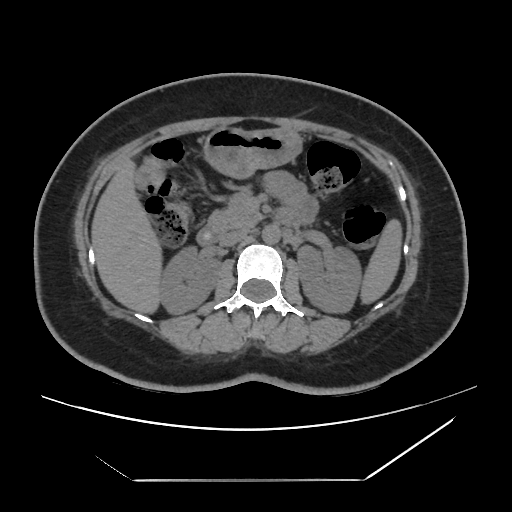 Abdominal CT; axial view; soft-tissue window
Organ boxes in pixel coordinates; each row gives the top-left (x1, y1) and bottom-right (x2, y2) corners.
| organ | x1 | y1 | x2 | y2 |
|---|---|---|---|---|
| pancreas | 207 | 193 | 263 | 231 |
| stomach | 204 | 128 | 301 | 177 |
| duodenum | 196 | 206 | 298 | 245 |
| spleen | 361 | 220 | 401 | 303 |
| aorta | 262 | 224 | 280 | 243 |
| inferior vena cava | 219 | 229 | 248 | 247 |
| right kidney | 159 | 245 | 218 | 314 |
| left kidney | 297 | 246 | 361 | 312 |
| liver | 91 | 159 | 160 | 312 |